Abdominal CT reaching into the chest; this slice is in the chest. Axial slice 126/128
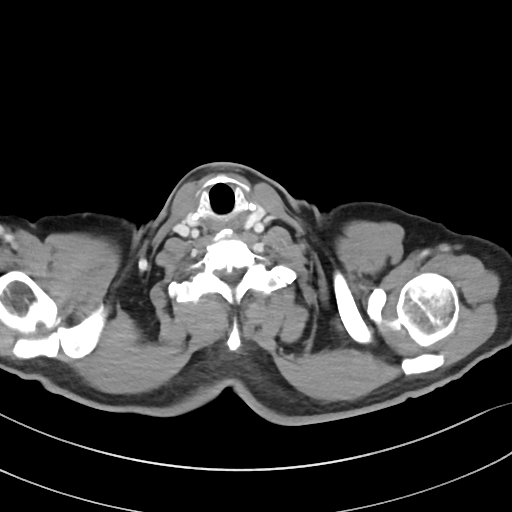

At this level of the chest this dataset labels only the esophagus and the aorta, and each is boxed only where it is labeled; the heart and lungs are never labeled.
<organs><organ name="esophagus" x1="214" y1="219" x2="236" y2="230"/></organs>